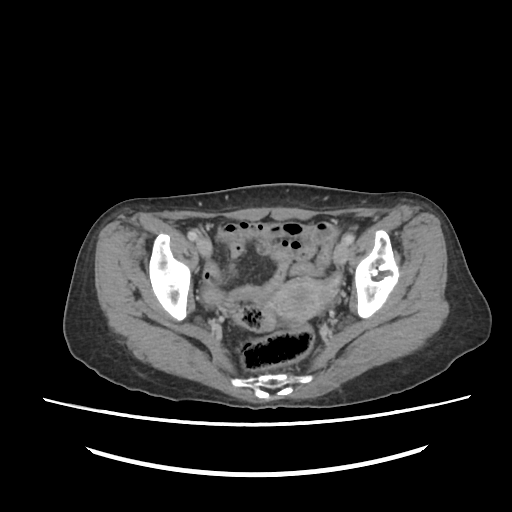
Abdominal CT; axial view; soft-tissue window
<organs><organ name="prostate/uterus" x1="266" y1="278" x2="335" y2="320"/></organs>